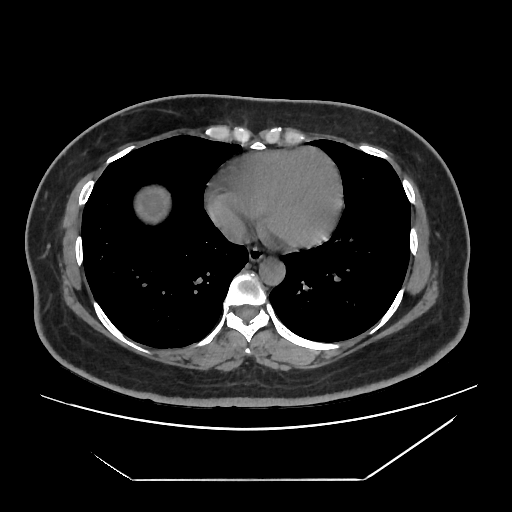

Abdominal CT — axial plane, index 319
Bounding boxes as [x1, y1, x2, y2] in pixel coordinates.
Organ bounding boxes:
- inferior vena cava: [223, 221, 249, 243]
- liver: [135, 188, 168, 221]
- aorta: [258, 257, 285, 284]
- esophagus: [249, 246, 263, 261]